Computed tomography, abdomen. axial view. 512x512 px. acquired on SOMATOM Force
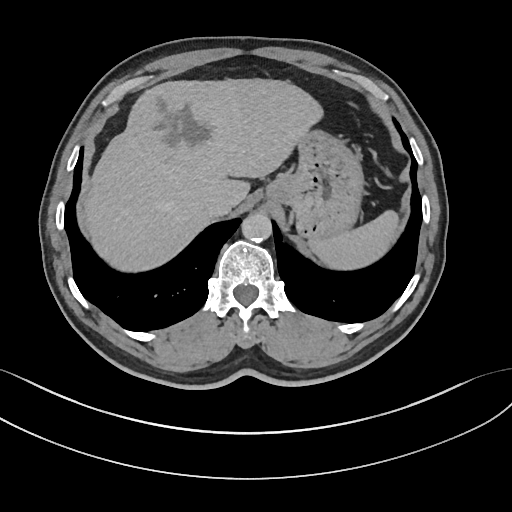

Boxes: x1:y1:x2:y2 in pixels. Labeled organs on this slice: stomach at 267:127:365:240, inferior vena cava at 202:194:229:218, liver at 83:78:322:272, aorta at 241:213:272:241, spleen at 308:211:399:269.